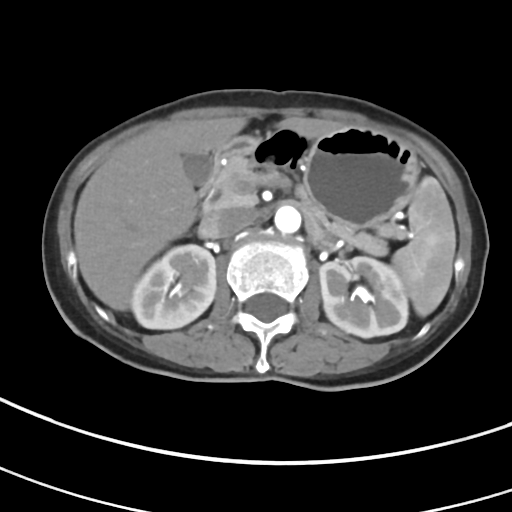
Abdominal CT — axial view — soft-tissue window — scan has 15 labeled organs (counted over the whole 3D scan, not this slice; an organ is boxed only where this slice passes through it)
{"organs":{"spleen":[392,176,455,316],"right kidney":[130,244,216,329],"left kidney":[319,257,408,337],"gall bladder":[183,154,212,185],"liver":[73,116,339,310],"stomach":[303,126,418,227],"aorta":[274,205,300,233],"inferior vena cava":[202,207,253,237],"pancreas":[210,156,397,255],"duodenum":[195,136,259,216]}}